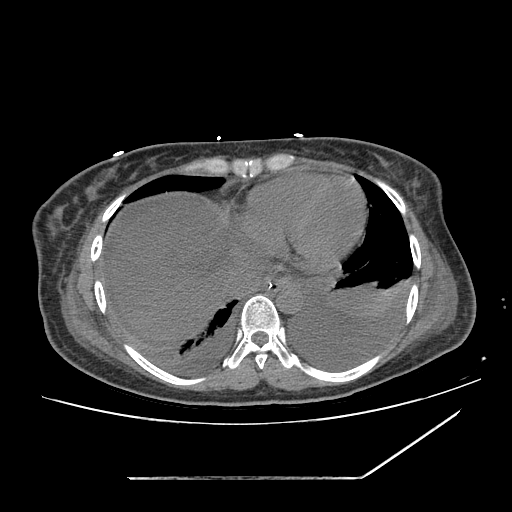

Computed tomography, abdomen · axial view
Each box given as x1,y1,x2,y2.
Organ bounding boxes:
- esophagus: x1=261, y1=278, x2=291, y2=292
- aorta: x1=275, y1=285, x2=302, y2=314
- liver: x1=110, y1=198, x2=234, y2=342
- stomach: x1=276, y1=285, x2=298, y2=310
- inferior vena cava: x1=225, y1=257, x2=266, y2=294